CT, abdomen/pelvis. axial view. abdomen soft-tissue window. acquired on SOMATOM Force
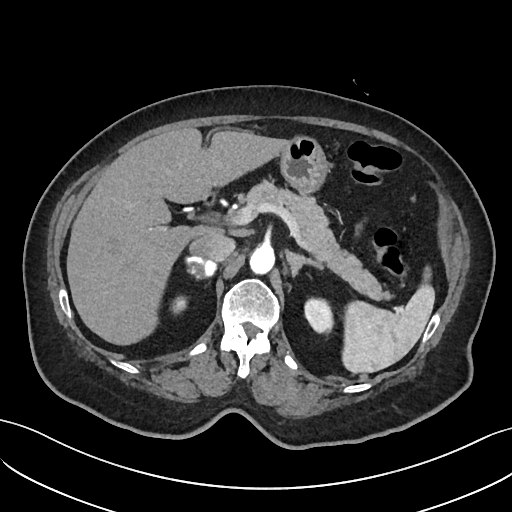
Boxes: x1 y1 x2 y2 (pixel coords, space-separated).
Organ bounding boxes:
- left adrenal gland: 285 249 323 275
- spleen: 343 284 435 373
- liver: 67 127 285 344
- duodenum: 202 190 213 207
- right adrenal gland: 185 256 215 275
- pancreas: 245 180 391 301
- inferior vena cava: 189 232 235 261
- left kidney: 303 297 333 334
- aorta: 250 245 274 273
- right kidney: 172 297 186 312
- stomach: 278 135 327 192